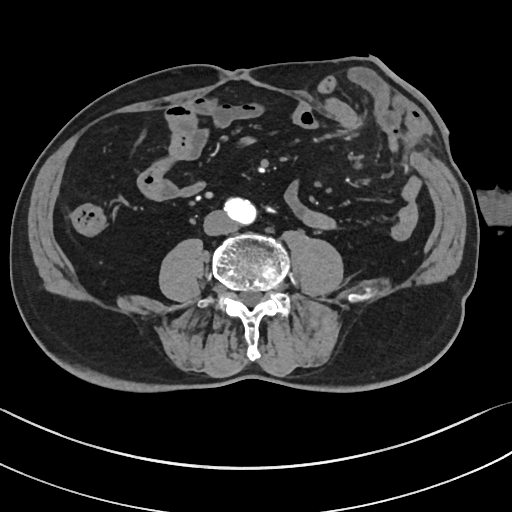 CT abdomen. axial plane, index 103. W/L 400/40 HU. 512x512 px
Boxes: x1:y1:x2:y2 in pixels. The annotated organs in this slice are: aorta at 225:198:256:224, inferior vena cava at 204:210:236:235.